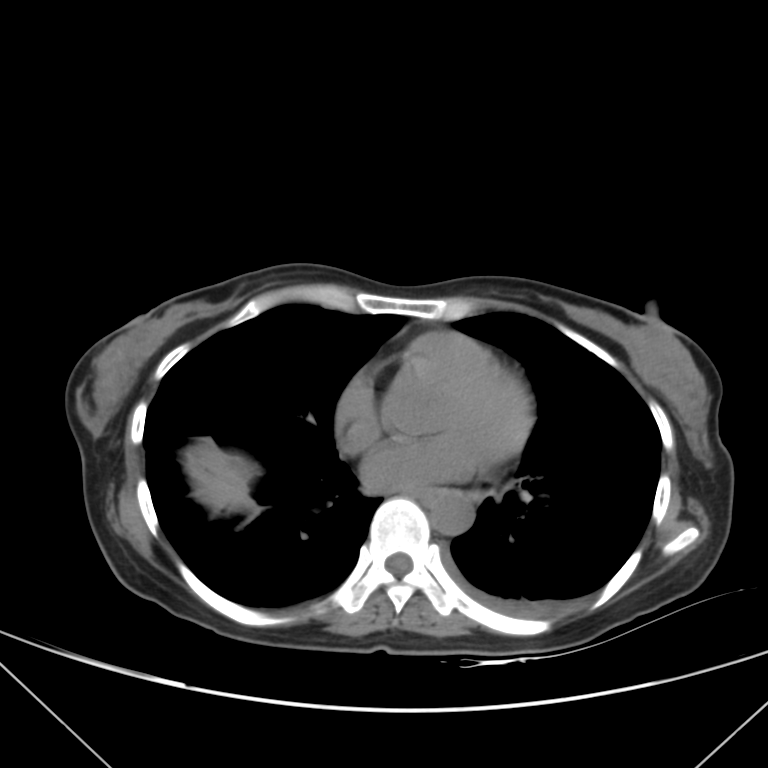

CT abdomen; axial view; abdomen soft-tissue window; 768x768 px; scan has 15 labeled organs (counted over the whole 3D scan, not this slice; an organ is boxed only where this slice passes through it)
<organs><organ name="liver" x1="184" y1="449" x2="251" y2="510"/><organ name="aorta" x1="431" y1="491" x2="473" y2="535"/><organ name="esophagus" x1="403" y1="488" x2="442" y2="509"/></organs>